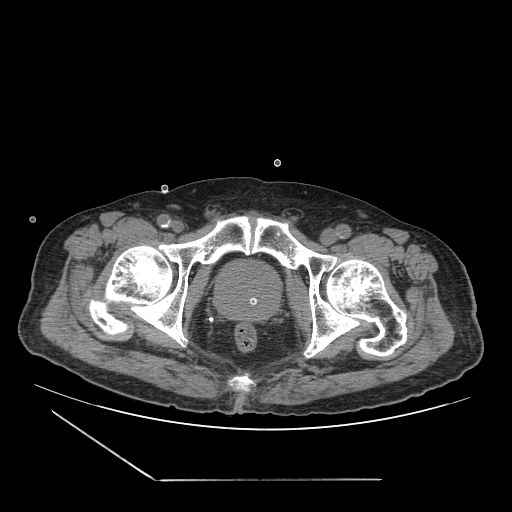

CT abdomen. Axial slice 22/187. soft-tissue window (W 400 / L 40). acquired on SOMATOM Force
Organ boxes in pixel coordinates; each row gives the top-left (x1, y1) and bottom-right (x2, y2) corners.
| organ | x1 | y1 | x2 | y2 |
|---|---|---|---|---|
| prostate/uterus | 214 | 260 | 280 | 320 |